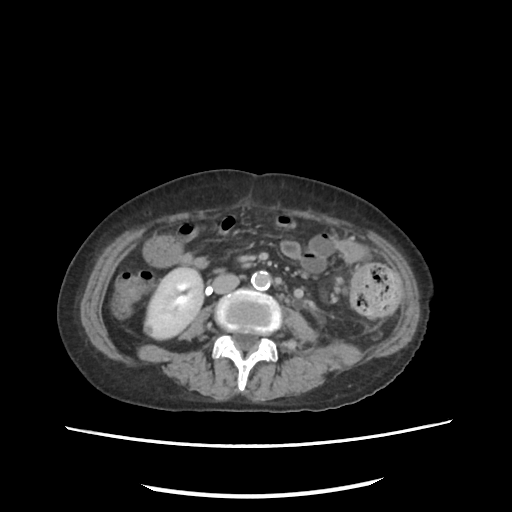

CT abdomen; axial view
Organ boxes in pixel coordinates; each row gives the top-left (x1, y1) and bottom-right (x2, y2) corners.
| organ | x1 | y1 | x2 | y2 |
|---|---|---|---|---|
| right kidney | 145 | 267 | 203 | 339 |
| aorta | 251 | 271 | 271 | 290 |
| inferior vena cava | 213 | 274 | 238 | 293 |